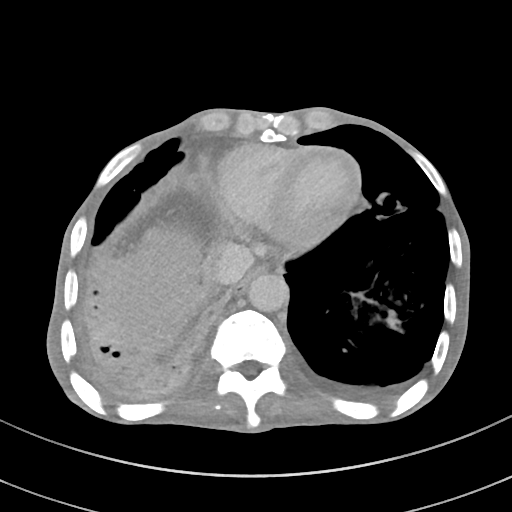

Abdominal CT; axial view; SOMATOM Force scanner; scan has 15 labeled organs (that count is for the whole scan; organs this slice misses have no box)
<organs><organ name="esophagus" x1="231" y1="265" x2="267" y2="295"/><organ name="liver" x1="111" y1="227" x2="207" y2="354"/><organ name="aorta" x1="247" y1="272" x2="288" y2="312"/><organ name="inferior vena cava" x1="212" y1="242" x2="254" y2="284"/></organs>